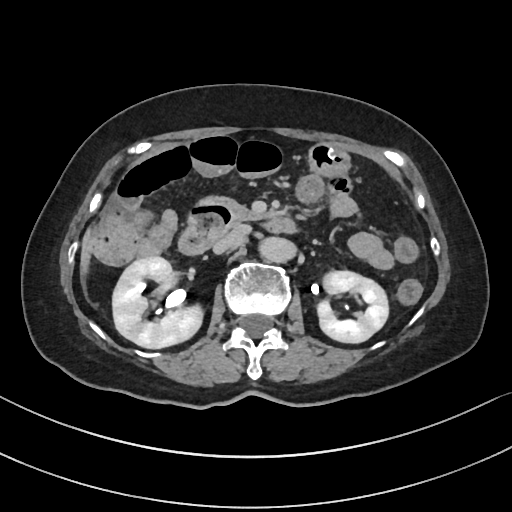 CT, abdomen/pelvis · axial plane, index 138 · 512x512 px
Box edges are left/top/right/bottom in pixels.
Organ bounding boxes:
- right kidney: left=112, top=257, right=202, bottom=348
- left kidney: left=317, top=271, right=388, bottom=343
- liver: left=80, top=230, right=93, bottom=275
- stomach: left=308, top=142, right=350, bottom=177
- aorta: left=259, top=238, right=295, bottom=261
- inferior vena cava: left=213, top=226, right=248, bottom=253
- pancreas: left=199, top=197, right=255, bottom=221
- duodenum: left=178, top=202, right=296, bottom=254